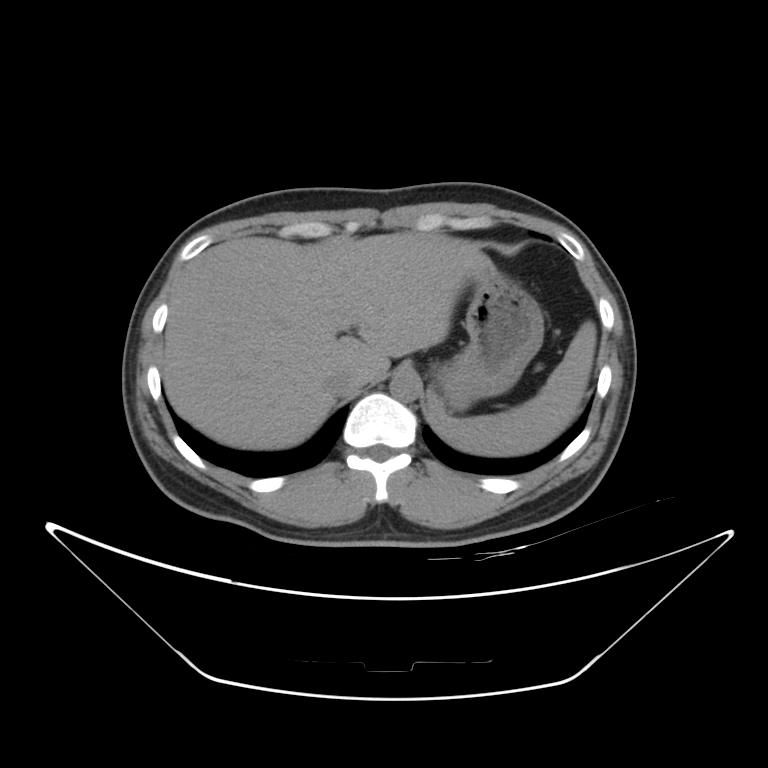
CT, abdomen/pelvis. Axial slice 87/97. 768x768 px. 15 organs annotated in this scan (that count is for the whole scan; organs this slice misses have no box)
Boxes: x1 y1 x2 y2 (pixel coords, space-separated).
Organ bounding boxes:
- stomach: 434 263 544 409
- aorta: 390 372 421 402
- spleen: 429 321 595 456
- inferior vena cava: 323 369 354 397
- liver: 163 232 489 449